Computed tomography, abdomen — axial view — W/L 400/40 HU — 512x512 px
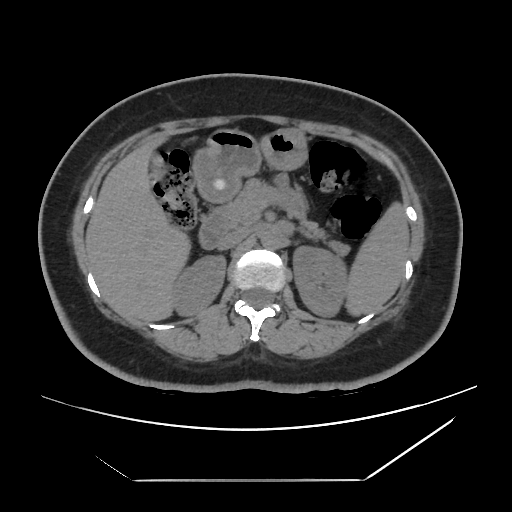 <organs><organ name="spleen" x1="344" y1="201" x2="409" y2="317"/><organ name="right kidney" x1="173" y1="256" x2="226" y2="316"/><organ name="left kidney" x1="293" y1="247" x2="346" y2="316"/><organ name="gall bladder" x1="149" y1="151" x2="165" y2="178"/><organ name="liver" x1="85" y1="131" x2="192" y2="321"/><organ name="stomach" x1="192" y1="128" x2="308" y2="203"/><organ name="aorta" x1="260" y1="228" x2="283" y2="249"/><organ name="inferior vena cava" x1="216" y1="229" x2="249" y2="250"/><organ name="pancreas" x1="224" y1="178" x2="349" y2="256"/><organ name="left adrenal gland" x1="299" y1="231" x2="313" y2="239"/><organ name="duodenum" x1="199" y1="205" x2="229" y2="248"/></organs>